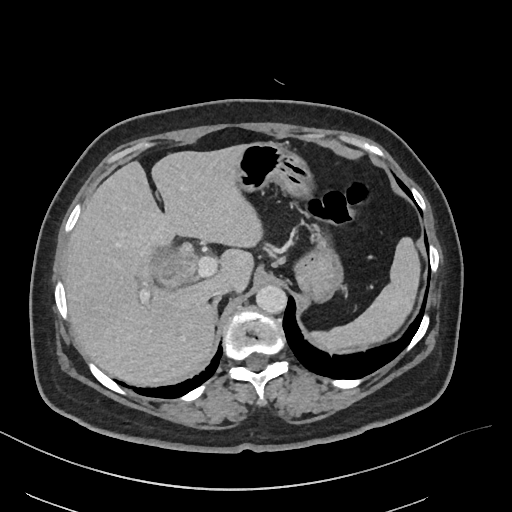
CT, abdomen/pelvis. axial plane, index 188. 15 organs annotated in this scan (a whole-scan count: organs this slice does not pass through have no box)
One row per box, in pixels: columns x1 and y1 give the top-left corner, x2 and y2 the bottom-right.
| organ | x1 | y1 | x2 | y2 |
|---|---|---|---|---|
| spleen | 308 | 235 | 421 | 349 |
| gall bladder | 150 | 248 | 188 | 286 |
| liver | 64 | 145 | 262 | 386 |
| stomach | 233 | 141 | 344 | 303 |
| aorta | 255 | 285 | 287 | 314 |
| inferior vena cava | 211 | 282 | 233 | 297 |
| right adrenal gland | 212 | 297 | 221 | 322 |